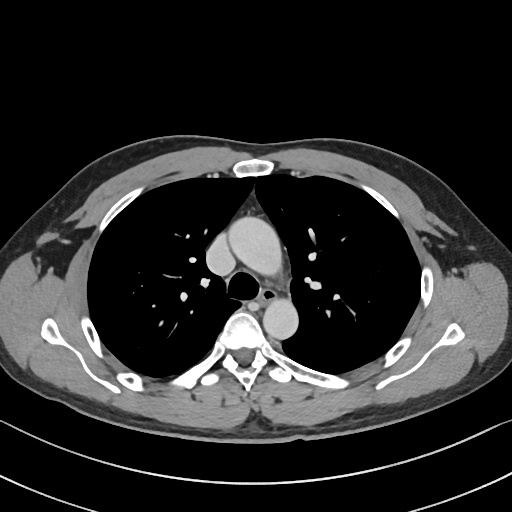
Chest-level CT slice, above the liver and spleen. axial plane, index 243. 512x512 px. SOMATOM Force scanner
On a slice this high in the chest, this dataset labels only the esophagus and the aorta, and each is boxed only where it is labeled; the heart, lungs and other chest structures are not labeled.
Bounding boxes as [x1, y1, x2, y2] in pixel coordinates.
Organ bounding boxes:
- esophagus: [257, 287, 275, 304]
- aorta: [230, 218, 285, 280]
- aorta: [263, 295, 298, 338]